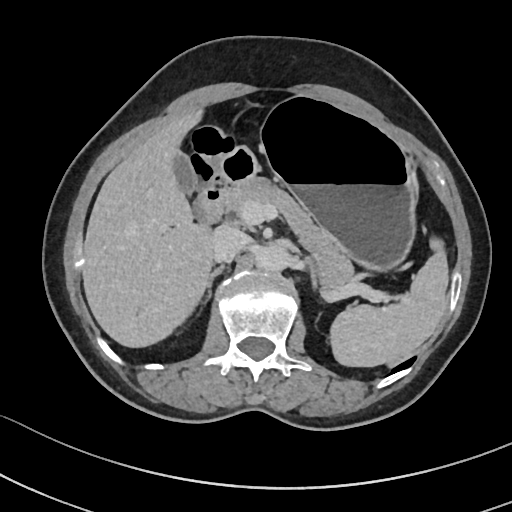

Abdominal CT — axial plane, index 137 — 512x512 px
<organs><organ name="duodenum" x1="194" y1="147" x2="257" y2="222"/><organ name="left adrenal gland" x1="304" y1="259" x2="317" y2="286"/><organ name="liver" x1="82" y1="111" x2="215" y2="348"/><organ name="inferior vena cava" x1="211" y1="226" x2="250" y2="262"/><organ name="gall bladder" x1="174" y1="151" x2="198" y2="195"/><organ name="aorta" x1="255" y1="245" x2="288" y2="272"/><organ name="pancreas" x1="226" y1="178" x2="353" y2="289"/><organ name="stomach" x1="260" y1="97" x2="417" y2="271"/><organ name="right adrenal gland" x1="201" y1="265" x2="224" y2="298"/><organ name="spleen" x1="330" y1="239" x2="449" y2="366"/></organs>